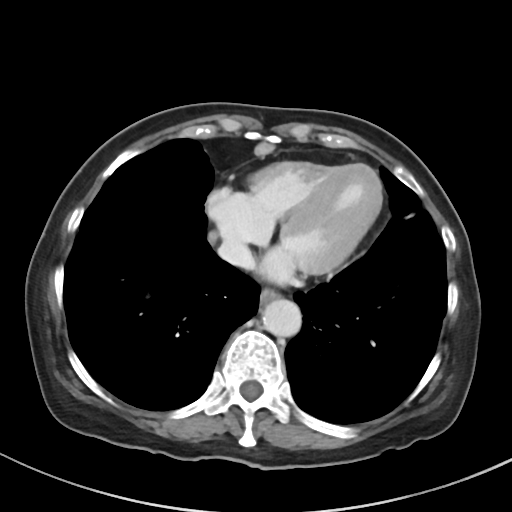 Lower-chest slice from an abdominal CT, just above the liver and spleen — Axial slice 74/78 — W/L 400/40 HU
The heart and lungs are never labeled in this dataset, so they have no box on this slice.
Boxes: x1:y1:x2:y2 in pixels.
Organ bounding boxes:
- esophagus: 259:289:278:304
- aorta: 262:299:301:336
- inferior vena cava: 218:239:254:268